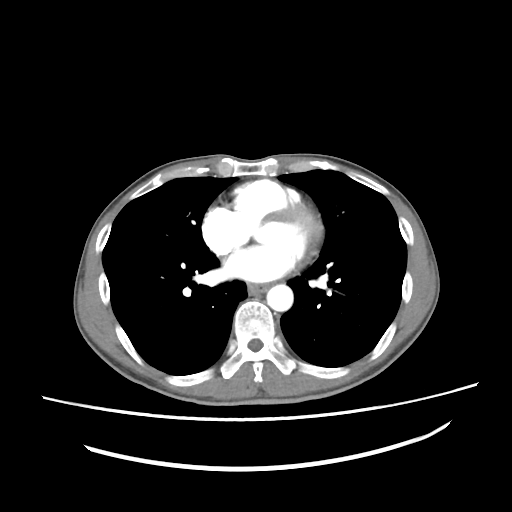 Abdominal CT reaching into the chest; this slice is in the chest; Axial slice 97/133; soft-tissue window, W/L 400/40; 512x512 px; scan has 14 labeled organs (a whole-scan count: organs this slice does not pass through have no box)
On a slice this high in the chest, this dataset labels only the esophagus and the aorta, and each is boxed only where it is labeled; the heart, lungs and other chest structures are not labeled. Each box given as x1,y1,x2,y2. Labeled organs on this slice: esophagus at x1=247, y1=283, x2=267, y2=293, aorta at x1=266, y1=284, x2=293, y2=311.